Chest-level CT slice, above the liver and spleen — Axial slice 278/305 — scan has 15 labeled organs (that count is for the whole scan; organs this slice misses have no box)
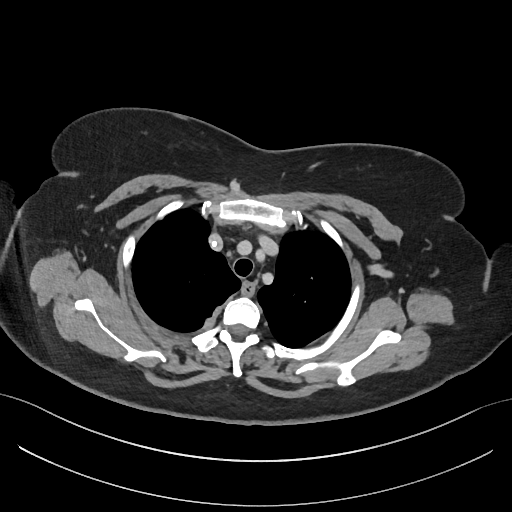
At this level of the chest this dataset labels only the esophagus and the aorta, and each is boxed only where it is labeled; the heart and lungs are never labeled.
<organs><organ name="esophagus" x1="242" y1="282" x2="255" y2="294"/></organs>